Computed tomography, abdomen; axial view; scan has 15 labeled organs (a whole-scan count: organs this slice does not pass through have no box)
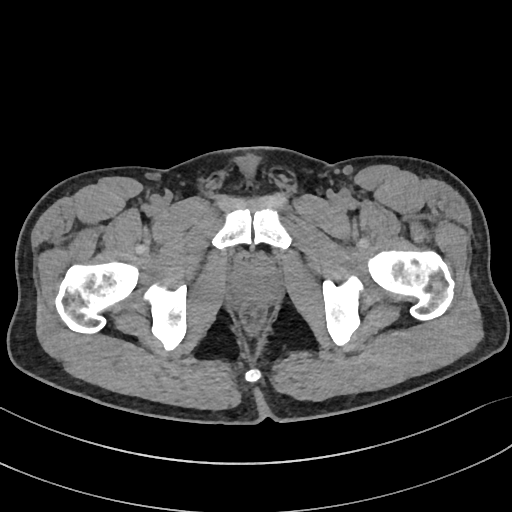 Organ boxes in pixel coordinates; each row gives the top-left (x1, y1) and bottom-right (x2, y2) corners.
| organ | x1 | y1 | x2 | y2 |
|---|---|---|---|---|
| prostate/uterus | 234 | 265 | 276 | 299 |